CT, abdomen/pelvis — axial view — soft-tissue window (W 400 / L 40) — 512x512 px
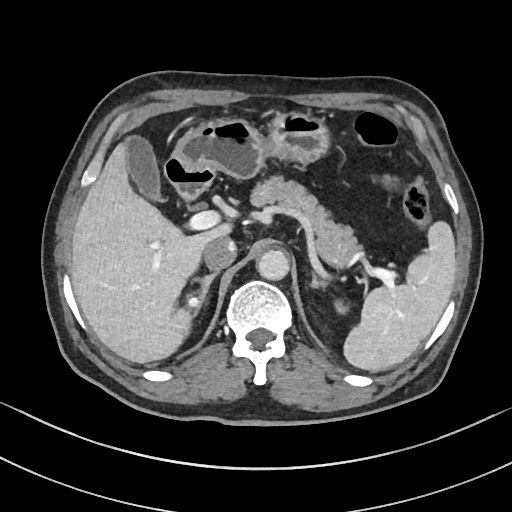
Organ boxes in pixel coordinates; each row gives the top-left (x1, y1) and bottom-right (x2, y2) corners.
| organ | x1 | y1 | x2 | y2 |
|---|---|---|---|---|
| spleen | 343 | 221 | 455 | 371 |
| left kidney | 334 | 299 | 349 | 314 |
| gall bladder | 125 | 136 | 164 | 201 |
| liver | 70 | 143 | 230 | 362 |
| stomach | 171 | 111 | 330 | 179 |
| aorta | 257 | 250 | 289 | 280 |
| inferior vena cava | 203 | 237 | 236 | 269 |
| pancreas | 250 | 175 | 361 | 265 |
| right adrenal gland | 193 | 270 | 219 | 314 |
| left adrenal gland | 312 | 273 | 325 | 287 |
| duodenum | 163 | 157 | 214 | 200 |